Computed tomography, abdomen. axial plane, index 108. acquired on SOMATOM Force. scan has 15 labeled organs (that count is for the whole scan; organs this slice misses have no box)
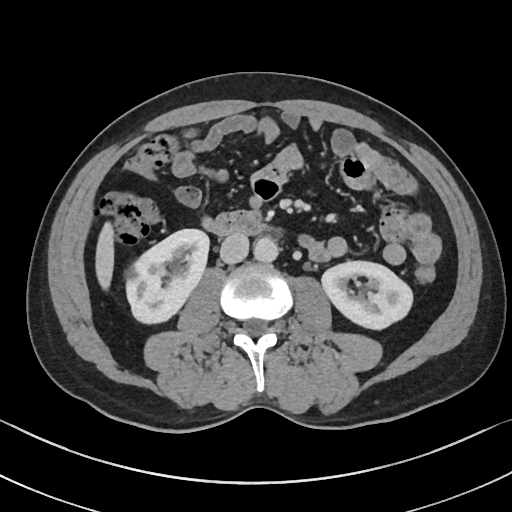 Boxes: x1:y1:x2:y2 in pixels.
Organ bounding boxes:
- aorta: 254:238:278:263
- liver: 94:220:115:290
- duodenum: 208:210:283:235
- right kidney: 121:229:208:325
- left kidney: 322:261:413:330
- inferior vena cava: 220:234:249:263